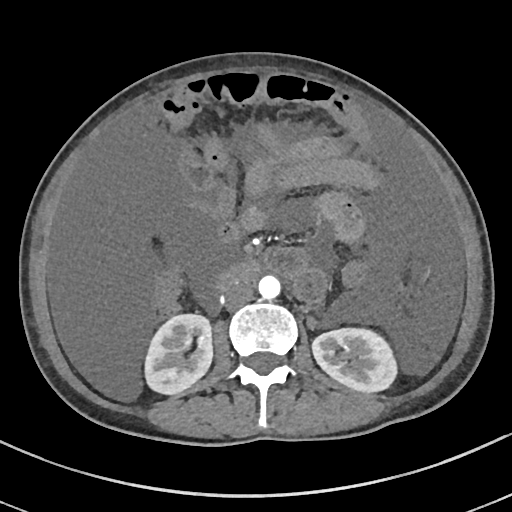
CT, abdomen/pelvis; axial plane, index 133
Coordinates as <box>x1,y1,x2,y2</box> in pixels. The annotated organs in this slice are: right kidney at <box>145,314,212,394</box>, aorta at <box>258,275,280,298</box>, inferior vena cava at <box>225,282,253,308</box>, left kidney at <box>312,328,396,392</box>, duodenum at <box>221,262,259,285</box>.